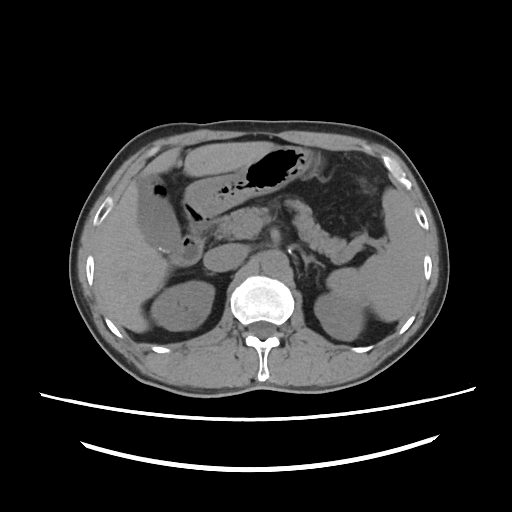 CT, abdomen/pelvis; Axial slice 67/87; soft-tissue window (W 400 / L 40)
Coordinates as <box>x1,y1,x2,y2</box> in pixels.
right adrenal gland: <box>203,269,213,276</box>
left adrenal gland: <box>301,252,325,268</box>
right kidney: <box>151,280,213,331</box>
duodenum: <box>169,207,216,262</box>
stomach: <box>182,146,311,214</box>
liver: <box>95,140,277,331</box>
aorta: <box>260,250,288,274</box>
gall bladder: <box>138,182,181,252</box>
inferior vena cava: <box>203,244,246,272</box>
spleen: <box>326,188,422,321</box>
pancreas: <box>214,200,363,264</box>
left kidney: <box>314,292,362,339</box>